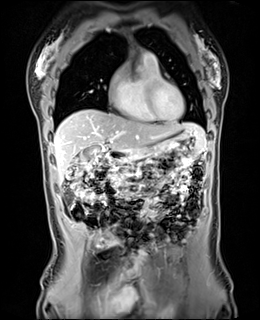

Magnetic resonance imaging, abdomen — coronal view — 1st–99th percentile window — acquired on Prisma
{"organs":{"gall bladder":[81,146,103,161],"liver":[54,109,205,183],"stomach":[123,128,204,162],"aorta":[138,71,144,74],"duodenum":[107,150,127,161]}}